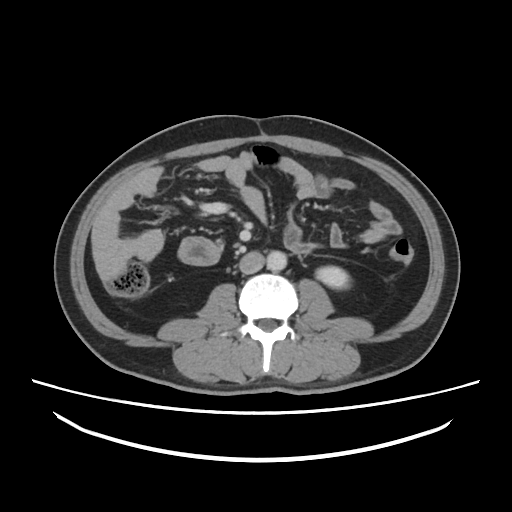

Computed tomography, abdomen. axial view
Box edges are left/top/right/bottom in pixels. Labeled organs on this slice: left kidney at left=316, top=266, right=349, bottom=288, aorta at left=266, top=250, right=286, bottom=271, inferior vena cava at left=239, top=251, right=264, bottom=274.